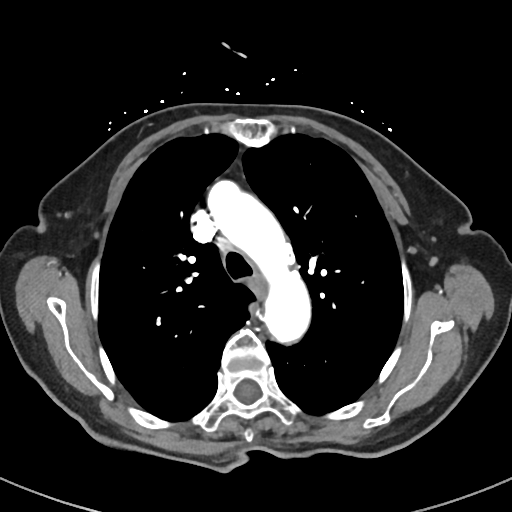

Abdominal CT reaching into the chest; this slice is in the chest. axial view. 512x512 px. acquired on SOMATOM Force
At this level of the chest no structure but the esophagus and the aorta has a label in this dataset, and those two are boxed only where they are labeled.
<organs><organ name="aorta" x1="208" y1="181" x2="311" y2="343"/><organ name="esophagus" x1="250" y1="275" x2="266" y2="296"/></organs>